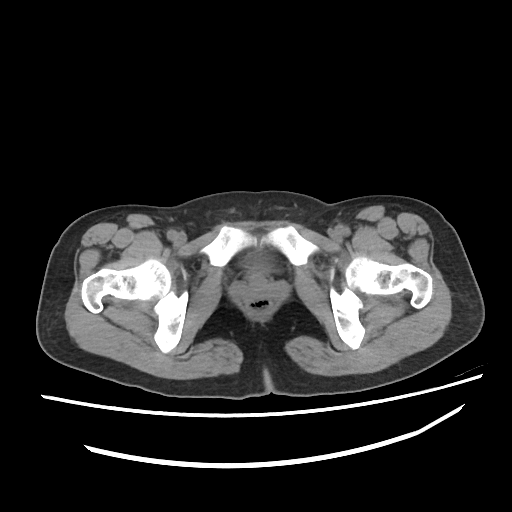
Computed tomography, abdomen. axial view. acquired on Aquilion ONE. scan has 15 labeled organs (a whole-scan count: organs this slice does not pass through have no box)
{"organs":{"bladder":[240,251,275,274]}}